Chest-level CT slice, above the liver and spleen · axial view · 512x512 px
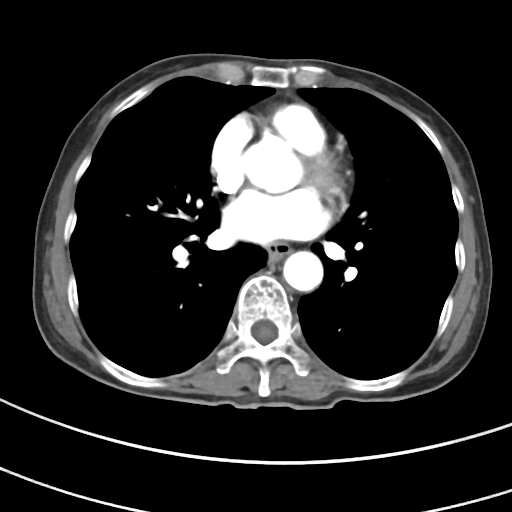 At this level of the chest this dataset labels only the esophagus and the aorta, and each is boxed only where it is labeled; the heart and lungs are never labeled.
<organs><organ name="aorta" x1="283" y1="251" x2="323" y2="291"/><organ name="esophagus" x1="268" y1="242" x2="289" y2="262"/></organs>